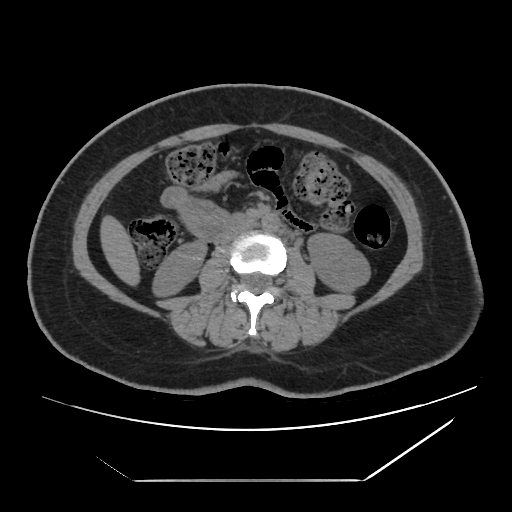
Abdominal CT; axial view; abdomen soft-tissue window; acquired on SOMATOM Force; 15 organs annotated in this scan (that count is for the whole scan; organs this slice misses have no box)
{"organs":{"right kidney":[152,239,207,297],"left kidney":[307,233,370,293],"liver":[100,214,140,287],"aorta":[261,213,280,232],"inferior vena cava":[222,223,250,243],"duodenum":[232,214,248,225]}}